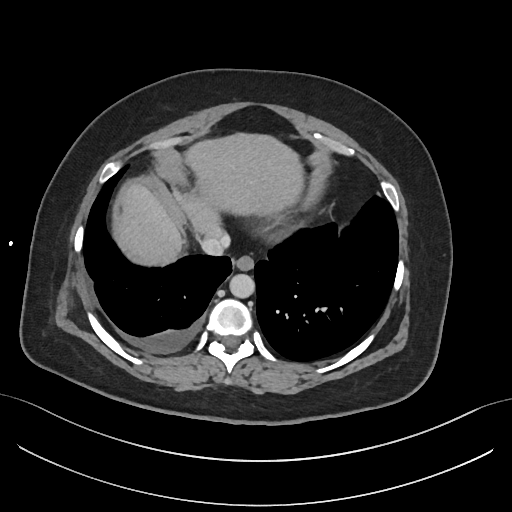 Computed tomography, abdomen; axial plane, index 202; 512x512 px
Boxes: x1 y1 x2 y2 (pixel coords, space-separated).
Organ bounding boxes:
- esophagus: 233 257 253 271
- liver: 122 132 303 263
- aorta: 230 275 255 298
- inferior vena cava: 200 234 229 256